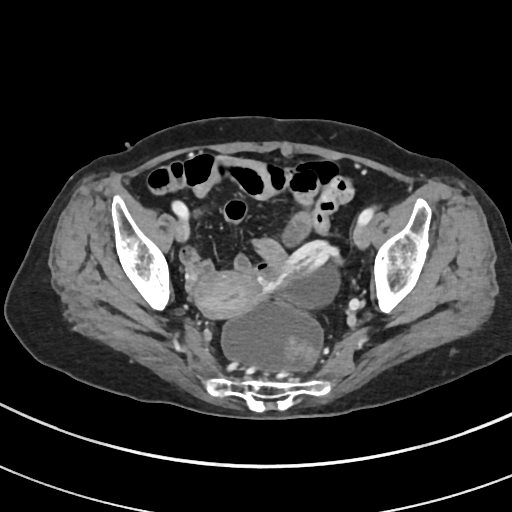 Abdominal CT. axial view. soft-tissue window
<organs><organ name="prostate/uterus" x1="195" y1="273" x2="261" y2="317"/></organs>